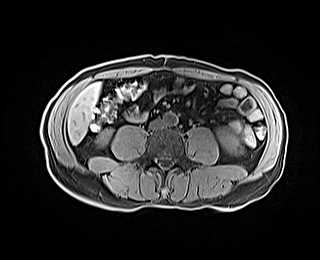

Magnetic resonance imaging, abdomen. axial view. 320x260 px. scan has 13 labeled organs (that count is for the whole scan; organs this slice misses have no box)
Boxes: x1 y1 x2 y2 (pixel coords, space-separated).
aorta: 163 113 177 125
left kidney: 217 128 241 153
inferior vena cava: 149 117 164 129
liver: 68 82 100 144
right kidney: 94 128 114 147